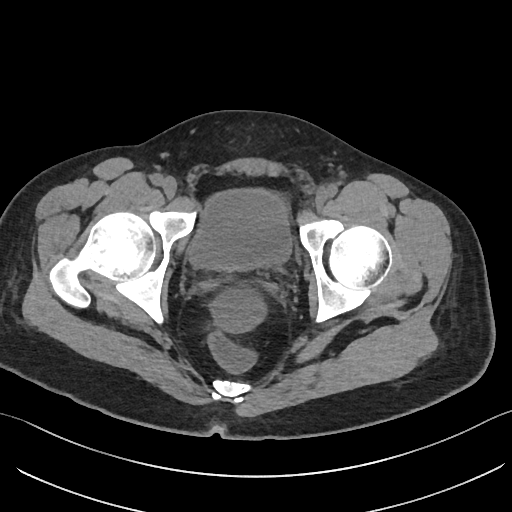

Abdominal CT · axial view · SOMATOM Force scanner · 15 organs annotated in this scan (counted over the whole 3D scan, not this slice; an organ is boxed only where this slice passes through it)
<organs><organ name="bladder" x1="188" y1="191" x2="290" y2="270"/></organs>